CT abdomen — axial view — W/L 400/40 HU — 768x768 px — female patient aged 90 or older
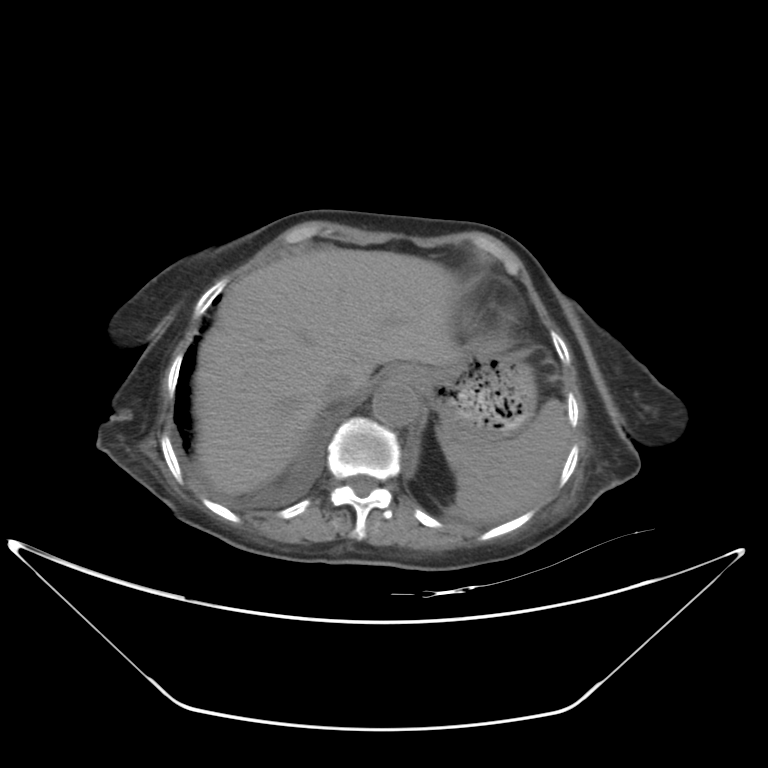

Each box given as x1,y1,x2,y2.
Organ bounding boxes:
- spleen: x1=438, y1=399, x2=571, y2=521
- stomach: x1=387, y1=337, x2=538, y2=442
- inferior vena cava: x1=320, y1=372, x2=355, y2=404
- liver: x1=195, y1=246, x2=462, y2=495
- aorta: x1=372, y1=383, x2=418, y2=426